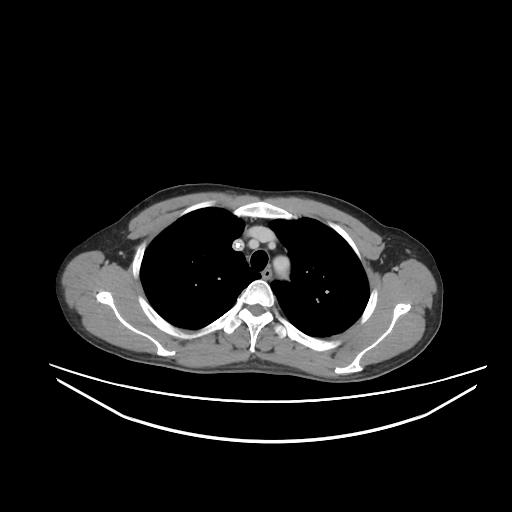

Chest-level CT slice, above the liver and spleen. axial view. 47-year-old male patient
On a slice this high in the chest, this dataset labels only the esophagus and the aorta, and each is boxed only where it is labeled; the heart, lungs and other chest structures are not labeled.
Box edges are left/top/right/bottom in pixels.
esophagus: left=261, top=268, right=272, bottom=278
aorta: left=273, top=256, right=289, bottom=278